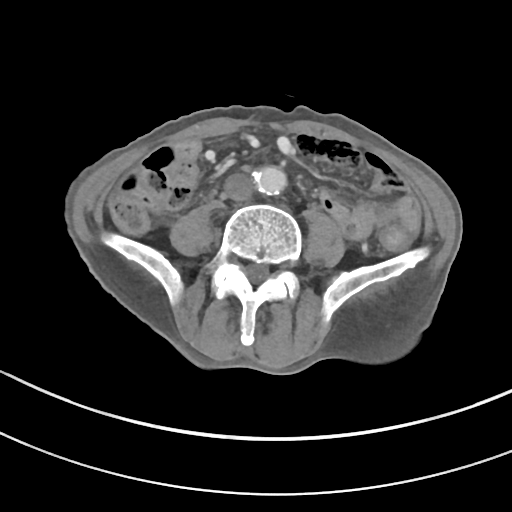
CT abdomen — axial view
{"organs":{"aorta":[253,166,286,195],"inferior vena cava":[224,173,254,201]}}